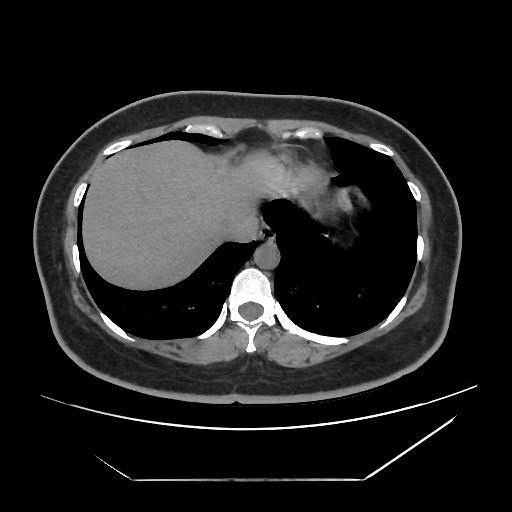 CT abdomen; axial plane, index 292
<organs><organ name="esophagus" x1="259" y1="225" x2="274" y2="241"/><organ name="liver" x1="81" y1="139" x2="353" y2="291"/><organ name="aorta" x1="254" y1="241" x2="279" y2="268"/><organ name="inferior vena cava" x1="222" y1="216" x2="258" y2="242"/></organs>